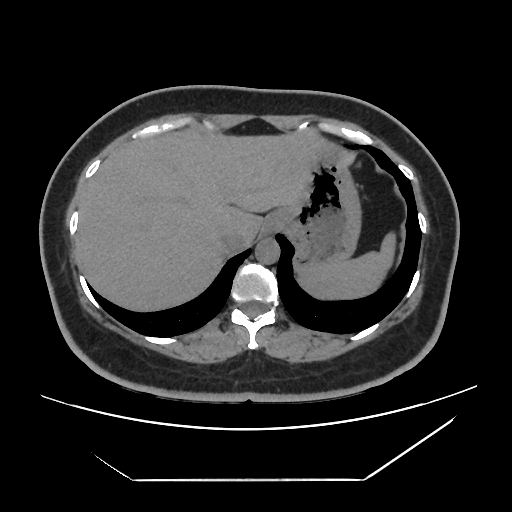
CT, abdomen/pelvis; Axial slice 277/345; soft-tissue window; acquired on SOMATOM Force
{"organs":{"spleen":[296,231,394,300],"liver":[75,129,322,312],"stomach":[266,136,361,269],"aorta":[255,237,279,263],"inferior vena cava":[220,230,253,252]}}